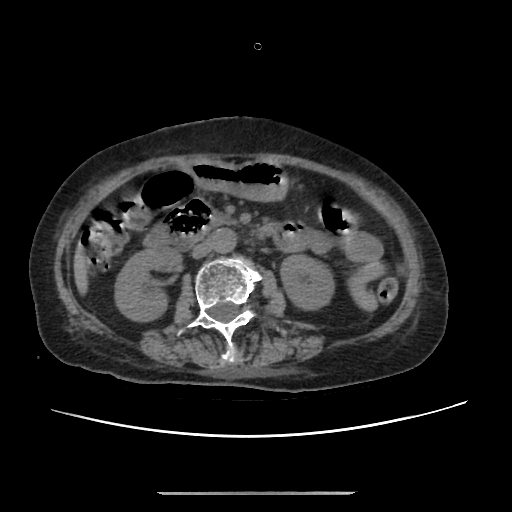

Abdominal CT; Axial slice 215/353; soft-tissue window (W 400 / L 40); 512x512 px; scan has 14 labeled organs (a whole-scan count: organs this slice does not pass through have no box)
{"organs":{"right kidney":[115,246,181,321],"left kidney":[280,255,334,309],"liver":[73,246,88,294],"stomach":[188,160,288,201],"aorta":[212,228,236,253],"inferior vena cava":[192,239,213,258],"pancreas":[211,212,237,225],"duodenum":[144,198,211,247]}}